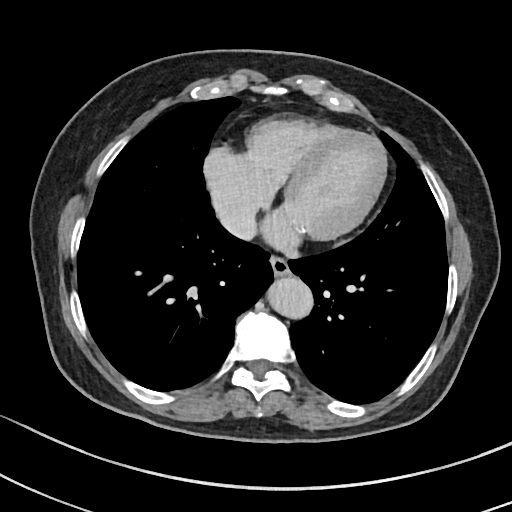

Abdominal CT; this slice is in the lower chest, just above the liver. Axial slice 191/192. 512x512 px. scan has 15 labeled organs (a whole-scan count: organs this slice does not pass through have no box)
Of the structures in the chest, this dataset labels only the esophagus, the aorta and the inferior vena cava; the heart and lungs have no label.
Boxes: x1:y1:x2:y2 in pixels.
Organ bounding boxes:
- esophagus: 270:256:290:276
- aorta: 267:276:313:318
- inferior vena cava: 218:205:256:240